Abdominal CT — axial view — acquired on SOMATOM Force
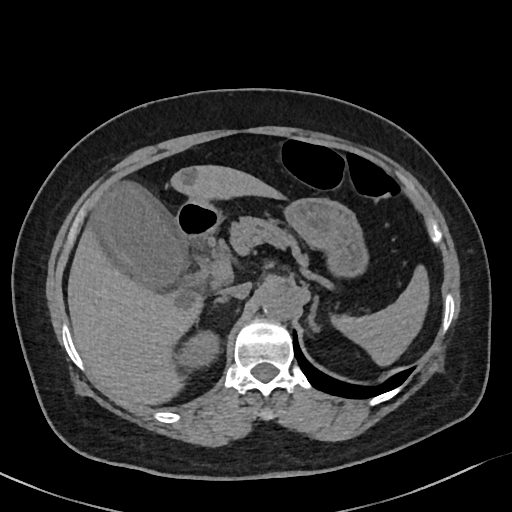 Bounding boxes as [x1, y1, x2, y2] in pixel coordinates.
spleen: [331, 265, 429, 365]
right kidney: [176, 330, 219, 369]
gall bladder: [93, 183, 185, 289]
liver: [67, 165, 283, 405]
stomach: [284, 198, 368, 277]
aorta: [262, 284, 297, 320]
inferior vena cava: [220, 283, 251, 298]
pancreas: [212, 216, 308, 265]
right adrenal gland: [214, 295, 228, 305]
left adrenal gland: [308, 296, 319, 331]
duodenum: [176, 199, 221, 239]